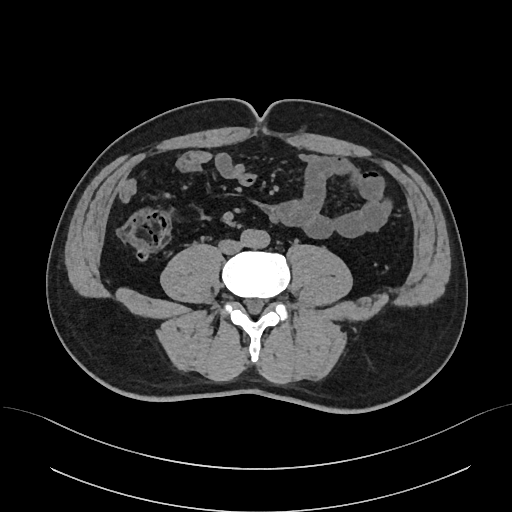
CT, abdomen/pelvis. axial view. soft-tissue window (W 400 / L 40). 512x512 px. 15 organs annotated in this scan (that count is for the whole scan; organs this slice misses have no box)
Bounding boxes in pixels, one row per box: x1, y1 is the top-left corner and x2, y2 the bottom-right.
| organ | x1 | y1 | x2 | y2 |
|---|---|---|---|---|
| inferior vena cava | 220 | 241 | 241 | 253 |
| aorta | 240 | 229 | 270 | 247 |